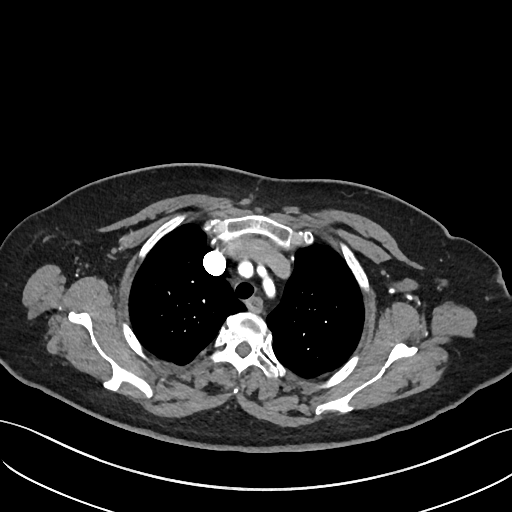 CT of the abdomen extending into the chest, slice through the chest; axial view; soft-tissue window (W 400 / L 40); 512x512 px; 15 organs annotated in this scan (counted over the whole 3D scan, not this slice; an organ is boxed only where this slice passes through it)
At this level of the chest this dataset labels only the esophagus and the aorta, and each is boxed only where it is labeled; the heart and lungs are never labeled.
<organs><organ name="esophagus" x1="247" y1="298" x2="260" y2="311"/></organs>